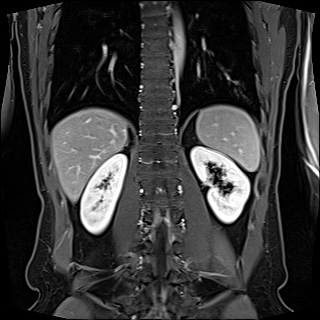

Magnetic resonance imaging, abdomen. coronal plane, index 20. 320x320 px
{"organs":{"spleen":[196,105,259,171],"right kidney":[80,153,126,233],"left kidney":[190,146,249,223],"liver":[51,108,128,201],"aorta":[173,17,184,72]}}